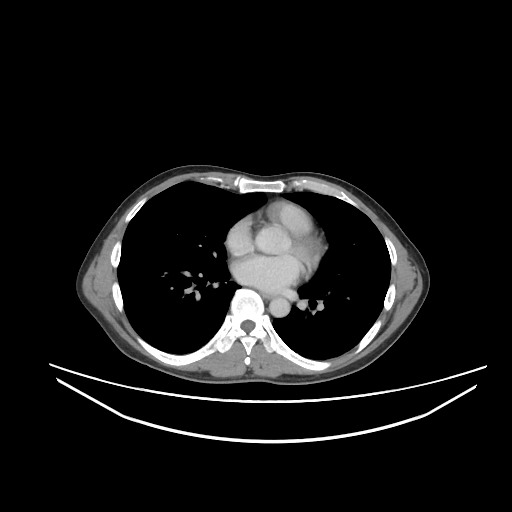
Chest-level CT slice, above the liver and spleen · axial view · W/L 400/40 HU · 47-year-old male patient
At this level of the chest this dataset labels only the esophagus and the aorta, and each is boxed only where it is labeled; the heart and lungs are never labeled.
Boxes: x1 y1 x2 y2 (pixel coords, space-separated).
Organ bounding boxes:
- esophagus: 262 293 272 298
- aorta: 269 297 290 317